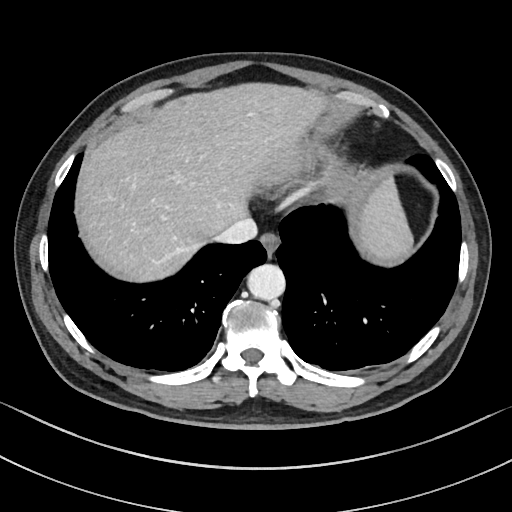
CT abdomen — axial view — W/L 400/40 HU — 512x512 px — SOMATOM Force scanner — scan has 15 labeled organs (counted over the whole 3D scan, not this slice; an organ is boxed only where this slice passes through it)
<organs><organ name="esophagus" x1="260" y1="233" x2="279" y2="256"/><organ name="liver" x1="81" y1="85" x2="412" y2="277"/><organ name="aorta" x1="248" y1="264" x2="286" y2="300"/><organ name="inferior vena cava" x1="215" y1="218" x2="257" y2="244"/></organs>